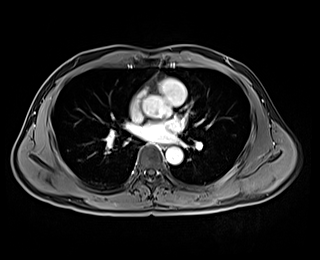
MRI of the abdomen reaching into the lower chest, slice just above the liver and spleen · axial view · percentile-normalized
The heart and lungs are never labeled in this dataset, so they have no box on this slice.
Each box given as x1,y1,x2,y2.
Organ bounding boxes:
- esophagus: x1=160, y1=144, x2=167, y2=149
- aorta: x1=166, y1=147, x2=183, y2=164